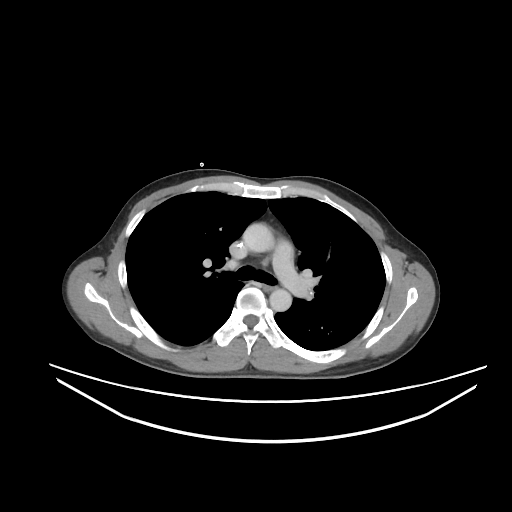 CT of the abdomen extending into the chest, slice through the chest · axial view · 47-year-old male patient · scan has 15 labeled organs (a whole-scan count: organs this slice does not pass through have no box)
On a slice this high in the chest, this dataset labels only the esophagus and the aorta, and each is boxed only where it is labeled; the heart, lungs and other chest structures are not labeled.
Box edges are left/top/right/bottom in pixels.
aorta: left=242, top=223, right=274, bottom=252
aorta: left=269, top=289, right=291, bottom=311
esophagus: left=264, top=284, right=275, bottom=291